CT, abdomen/pelvis · axial view · acquired on Aquilion ONE
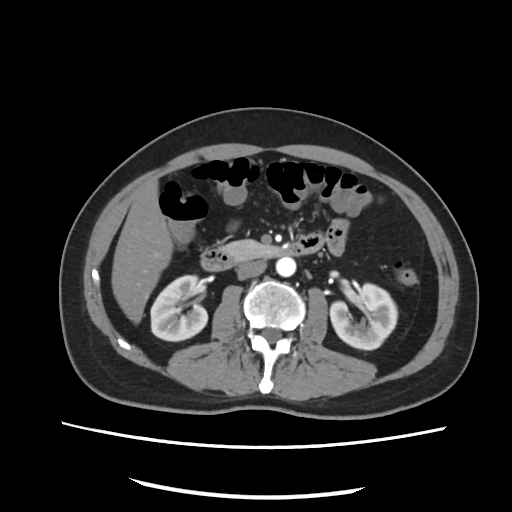

One row per box, in pixels: columns x1 and y1 give the top-left corner, x2 and y2 the bottom-right.
| organ | x1 | y1 | x2 | y2 |
|---|---|---|---|---|
| inferior vena cava | 235 | 261 | 265 | 279 |
| duodenum | 200 | 234 | 325 | 269 |
| aorta | 276 | 257 | 296 | 276 |
| pancreas | 223 | 240 | 279 | 260 |
| right kidney | 151 | 275 | 208 | 341 |
| liver | 111 | 180 | 173 | 323 |
| left kidney | 329 | 282 | 398 | 350 |